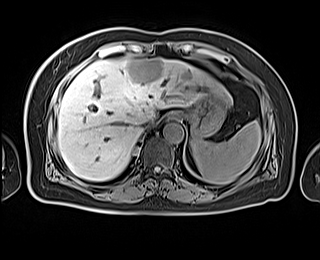 Magnetic resonance imaging, abdomen — axial view — 320x260 px — scan has 13 labeled organs (counted over the whole 3D scan, not this slice; an organ is boxed only where this slice passes through it)
Each box given as x1,y1,x2,y2. 6 labeled organs on this slice — inferior vena cava at x1=139, y1=119, x2=152, y2=130; liver at x1=58, y1=57, x2=231, y2=181; aorta at x1=163, y1=123, x2=183, y2=142; spleen at x1=190, y1=120, x2=261, y2=184; esophagus at x1=171, y1=112, x2=179, y2=118; stomach at x1=175, y1=91, x2=226, y2=137.